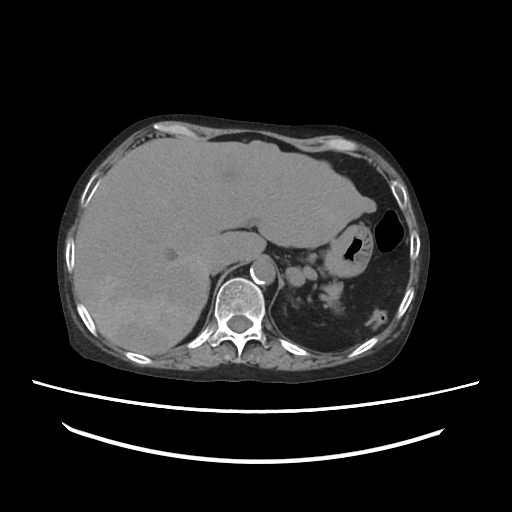

CT abdomen. axial view. 61-year-old female patient. acquired on Aquilion ONE
{"organs":{"inferior vena cava":[207,253,232,274],"stomach":[324,224,373,276],"aorta":[250,259,275,284],"pancreas":[323,281,343,301],"liver":[74,138,376,355]}}